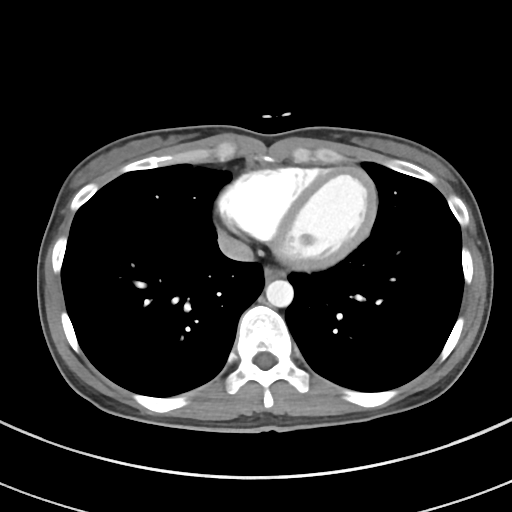
CT of the abdomen reaching into the lower chest, slice just above the liver and spleen · axial plane, index 79 · W/L 400/40 HU · scan has 15 labeled organs (counted over the whole 3D scan, not this slice; an organ is boxed only where this slice passes through it)
No part of the heart or lungs is labeled in this dataset, so neither has a box here. Boxes: x1:y1:x2:y2 in pixels. The annotated organs in this slice are: inferior vena cava at 218:235:253:262, esophagus at 263:266:283:281, aorta at 266:280:293:307.